Abdominal CT · axial view · 512x512 px · SOMATOM Force scanner
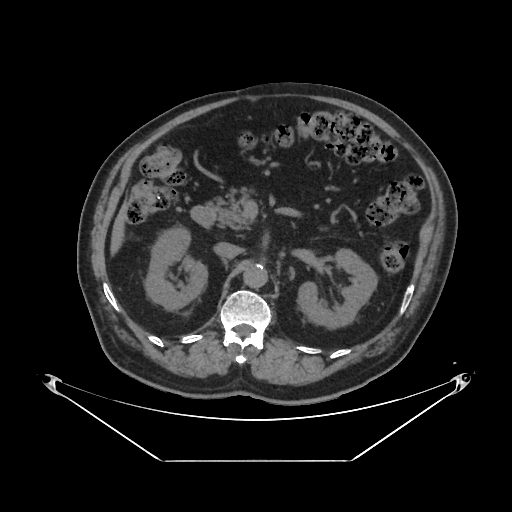 Coordinates as <box>x1,y1,x2,y2</box> in pixels.
right kidney: <box>144,227,207,310</box>
left kidney: <box>297,248,377,328</box>
liver: <box>110,203,127,255</box>
aorta: <box>243,263,267,287</box>
inferior vena cava: <box>213,242,241,258</box>
pancreas: <box>217,194,250,230</box>
duodenum: <box>190,202,217,227</box>